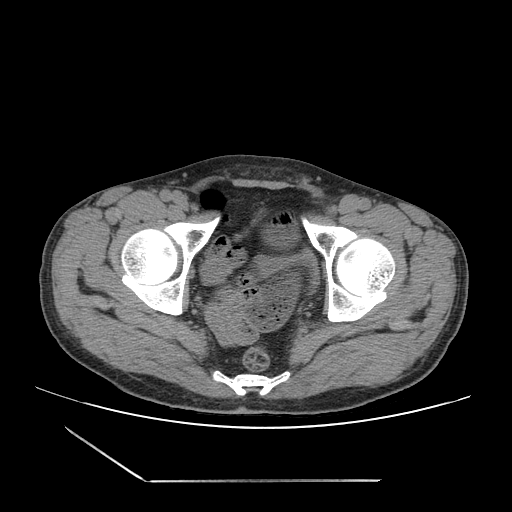 CT abdomen · axial view · W/L 400/40 HU · 512x512 px
Coordinates as <box>x1,y1,x2,y2</box> in pixels.
Organ bounding boxes:
- bladder: <box>254,252,317,289</box>